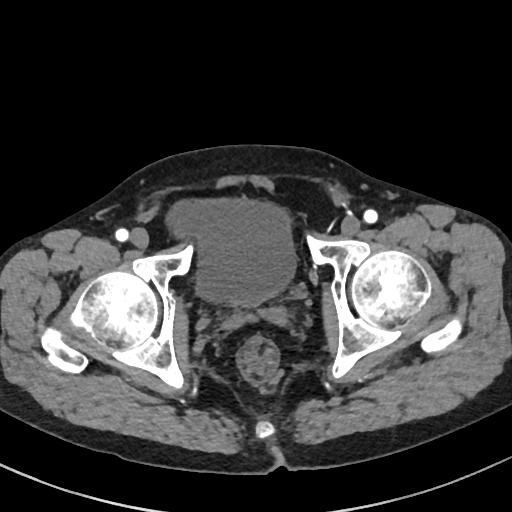
CT, abdomen/pelvis · Axial slice 34/303 · soft-tissue window (W 400 / L 40) · acquired on SOMATOM Force · scan has 15 labeled organs (counted over the whole 3D scan, not this slice; an organ is boxed only where this slice passes through it)
Organ boxes in pixel coordinates; each row gives the top-left (x1, y1) and bottom-right (x2, y2) corners.
| organ | x1 | y1 | x2 | y2 |
|---|---|---|---|---|
| bladder | 166 | 198 | 295 | 305 |